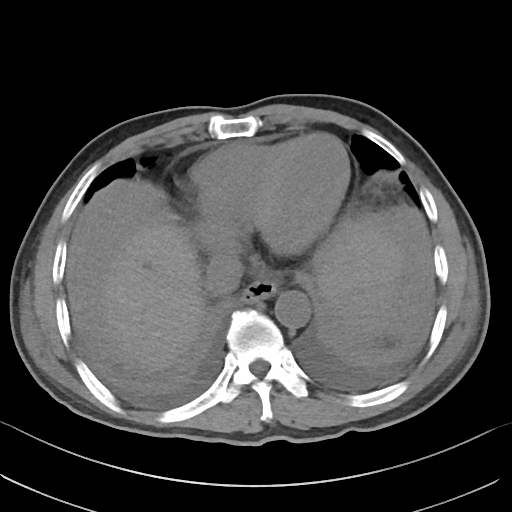

CT abdomen · axial view · soft-tissue window (W 400 / L 40) · SOMATOM Force scanner
Box edges are left/top/right/bottom in pixels. 5 labeled organs on this slice — spleen at left=335, top=262, right=429, bottom=336; esophagus at left=241, top=278, right=277, bottom=303; liver at left=88, top=223, right=402, bottom=371; aorta at left=275, top=290, right=310, bottom=327; inferior vena cava at left=205, top=254, right=243, bottom=294.